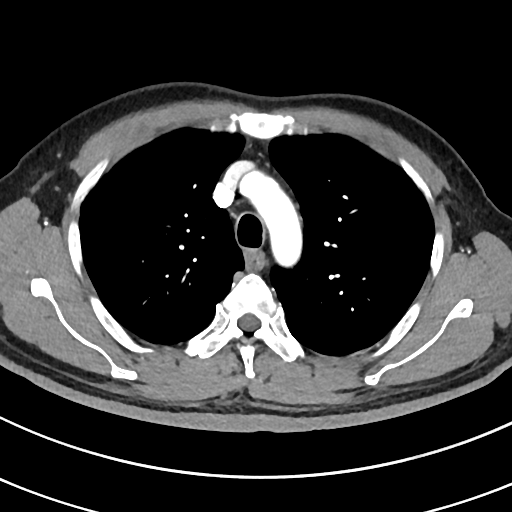 Chest-level slice from an abdominal CT that extends up into the chest — axial plane, index 262 — 512x512 px
At this level of the chest no structure but the esophagus and the aorta has a label in this dataset, and those two are boxed only where they are labeled.
Coordinates as <box>x1,y1,x2,y2</box> in pixels.
esophagus: <box>246,251,265,270</box>
aorta: <box>244,174,299,260</box>